CT, abdomen/pelvis — axial view — W/L 400/40 HU — 512x512 px
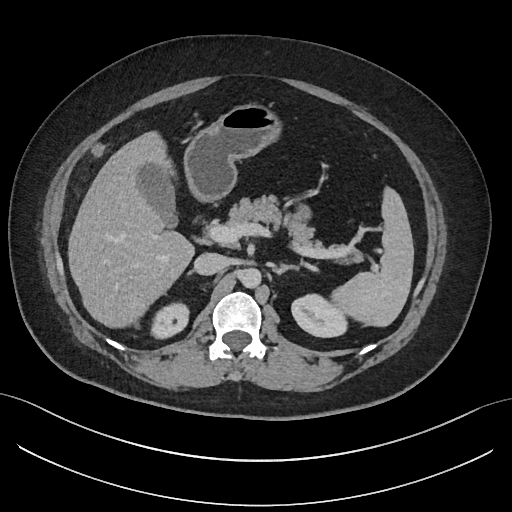
{"organs":{"spleen":[332,187,413,326],"right kidney":[151,302,188,338],"left kidney":[291,294,347,337],"gall bladder":[137,164,177,227],"liver":[68,131,194,328],"stomach":[184,103,280,201],"aorta":[239,268,261,288],"inferior vena cava":[193,253,226,275],"pancreas":[227,195,363,264],"right adrenal gland":[188,271,192,274],"left adrenal gland":[273,264,297,274]}}